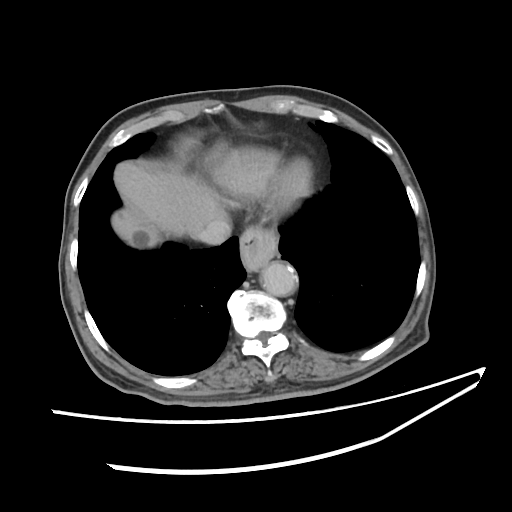

Computed tomography, abdomen · axial view · 512x512 px · 83-year-old male patient · acquired on Aquilion ONE · 15 organs annotated in this scan (that count is for the whole scan; organs this slice misses have no box)
Each box given as x1,y1,x2,y2.
inferior vena cava: x1=195, y1=218, x2=231, y2=245
esophagus: x1=239, y1=230, x2=274, y2=270
aorta: x1=260, y1=261, x2=298, y2=297
liver: x1=111, y1=160, x2=222, y2=249